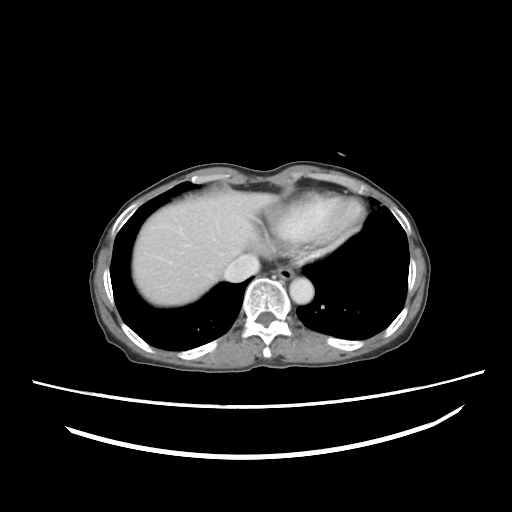 Computed tomography, abdomen; axial view; soft-tissue window
Boxes are (x1, y1, x2, y2) in pixels.
Organ bounding boxes:
- esophagus: (276, 265, 294, 279)
- liver: (134, 190, 277, 306)
- aorta: (289, 278, 313, 304)
- inferior vena cava: (224, 254, 259, 281)